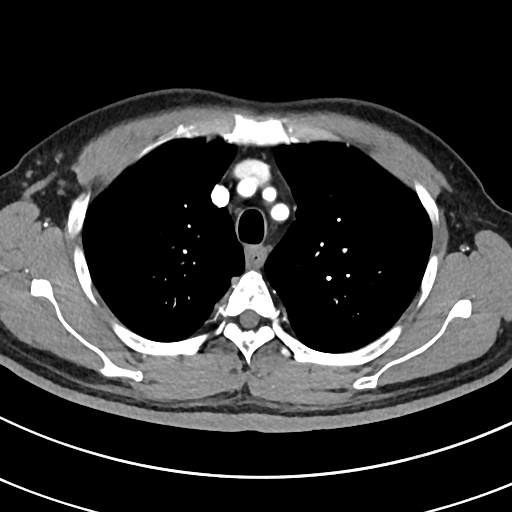

Abdominal CT reaching into the chest; this slice is in the chest · axial view
At this level of the chest this dataset labels only the esophagus and the aorta, and each is boxed only where it is labeled; the heart and lungs are never labeled.
Bounding boxes as [x1, y1, x2, y2] in pixel coordinates.
esophagus: [247, 249, 265, 265]
aorta: [270, 203, 286, 214]